Abdominal CT — axial view — 15 organs annotated in this scan (counted over the whole 3D scan, not this slice; an organ is boxed only where this slice passes through it)
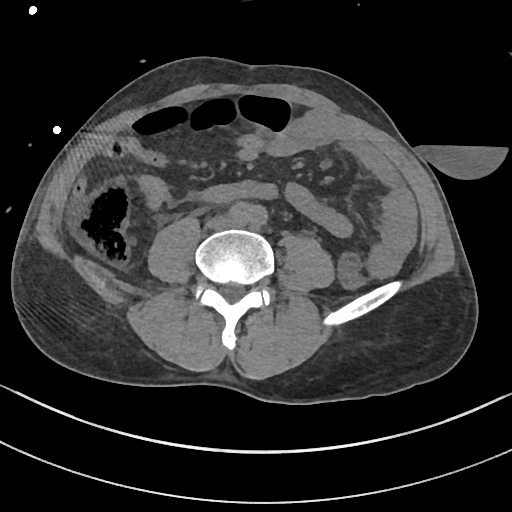

<organs><organ name="aorta" x1="232" y1="218" x2="238" y2="224"/><organ name="inferior vena cava" x1="208" y1="216" x2="235" y2="228"/></organs>